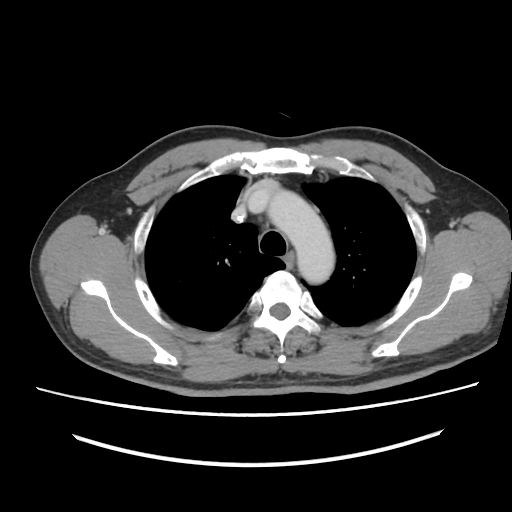
Chest-level slice from an abdominal CT that extends up into the chest; axial view; 58-year-old male patient; acquired on Aquilion ONE
On a slice this high in the chest, this dataset labels only the esophagus and the aorta, and each is boxed only where it is labeled; the heart, lungs and other chest structures are not labeled.
{"organs":{"esophagus":[284,253,293,266],"aorta":[268,191,334,283]}}